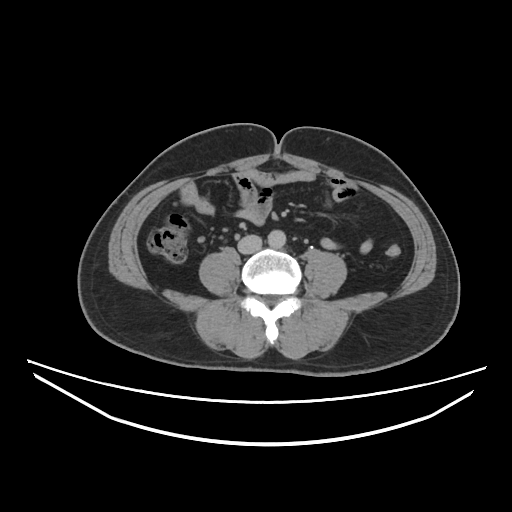
CT, abdomen/pelvis. Axial slice 59/115. 512x512 px
Box edges are left/top/right/bottom in pixels.
Organ bounding boxes:
- aorta: left=266, top=229, right=285, bottom=250
- inferior vena cava: left=237, top=234, right=261, bottom=253